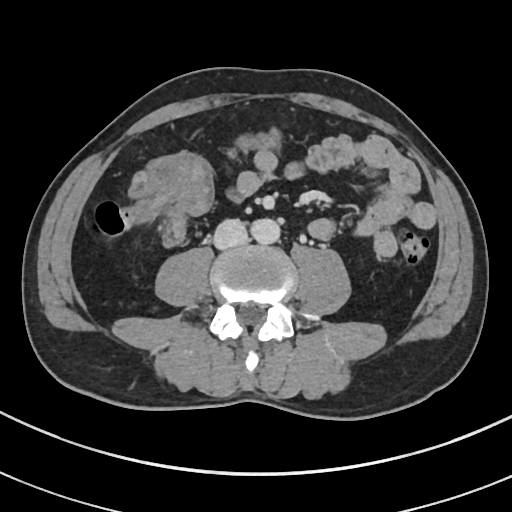 CT, abdomen/pelvis · Axial slice 95/298 · abdomen soft-tissue window · 512x512 px
{"organs":{"aorta":[249,218,279,244],"inferior vena cava":[213,218,248,249]}}